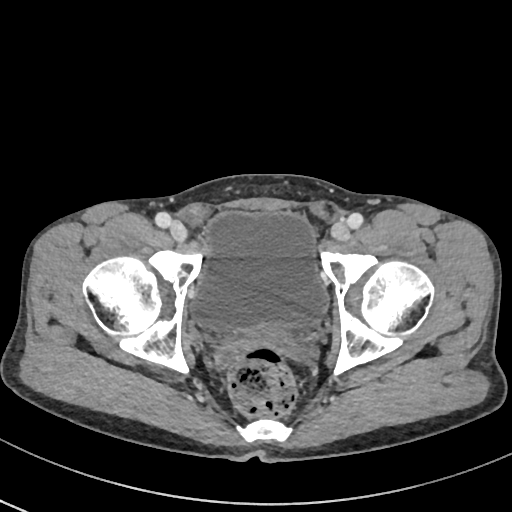 Abdominal CT. axial view. 512x512 px
Boxes are (x1, y1, x2, y2) in pixels.
Organ bounding boxes:
- bladder: (191, 211, 328, 329)